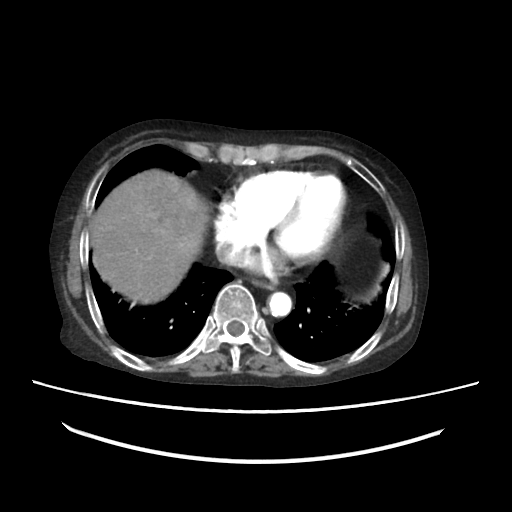 CT abdomen; axial view; 512x512 px
Coordinates as <box>x1,y1,x2,y2</box> in pixels.
esophagus: <box>252,279,275,289</box>
liver: <box>90,169,208,308</box>
aorta: <box>266,292,292,316</box>
inferior vena cava: <box>216,242,251,268</box>